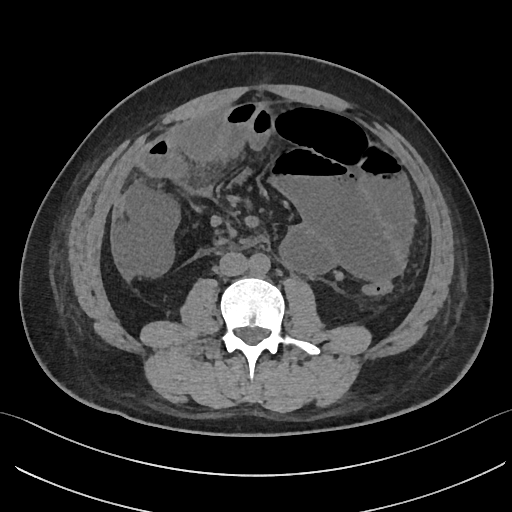 CT, abdomen/pelvis · axial view · soft-tissue window (W 400 / L 40) · 15 organs annotated in this scan (counted over the whole 3D scan, not this slice; an organ is boxed only where this slice passes through it)
Box edges are left/top/right/bottom in pixels.
Organ bounding boxes:
- aorta: left=249, top=253, right=270, bottom=276
- inferior vena cava: left=219, top=252, right=248, bottom=276